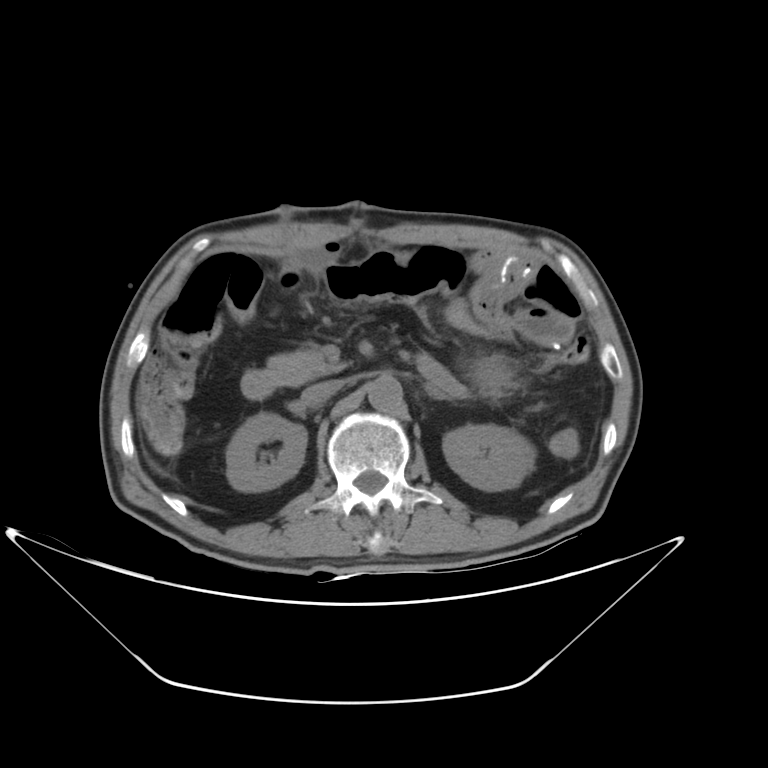 Abdominal CT · axial plane, index 67 · 768x768 px · 65-year-old male patient · acquired on Brilliance16 · scan has 15 labeled organs (counted over the whole 3D scan, not this slice; an organ is boxed only where this slice passes through it)
<organs><organ name="right kidney" x1="226" y1="412" x2="307" y2="491"/><organ name="left kidney" x1="442" y1="425" x2="536" y2="491"/><organ name="stomach" x1="477" y1="361" x2="510" y2="388"/><organ name="aorta" x1="367" y1="376" x2="402" y2="411"/><organ name="inferior vena cava" x1="301" y1="379" x2="342" y2="406"/><organ name="pancreas" x1="268" y1="347" x2="347" y2="386"/><organ name="left adrenal gland" x1="427" y1="383" x2="447" y2="399"/><organ name="duodenum" x1="240" y1="370" x2="447" y2="398"/></organs>